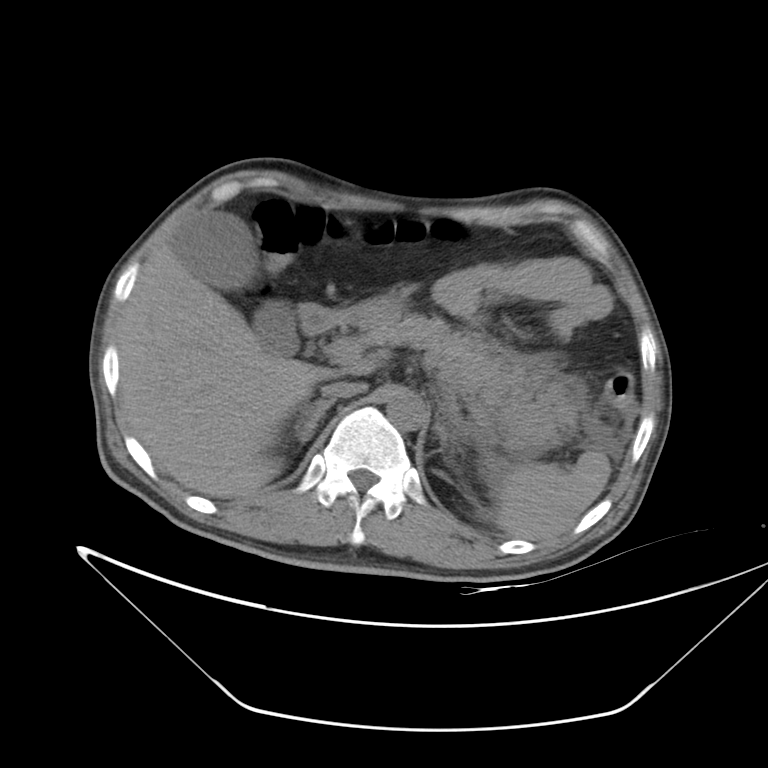

Computed tomography, abdomen · axial view · abdomen soft-tissue window · 768x768 px · 47-year-old male patient · Brilliance16 scanner · scan has 15 labeled organs (that count is for the whole scan; organs this slice misses have no box)
{"organs":{"spleen":[496,450,610,539],"gall bladder":[170,210,298,356],"liver":[118,233,335,498],"stomach":[350,294,402,318],"aorta":[386,391,427,431],"inferior vena cava":[320,381,366,398],"pancreas":[349,311,575,446],"right adrenal gland":[294,398,335,444],"left adrenal gland":[440,432,445,441],"duodenum":[298,303,354,335]}}